CT, abdomen/pelvis; axial view
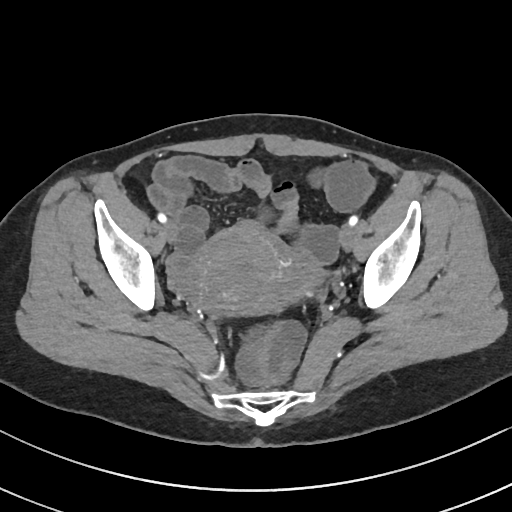 Box edges are left/top/right/bottom in pixels.
Organ bounding boxes:
- prostate/uterus: left=188, top=223, right=290, bottom=315